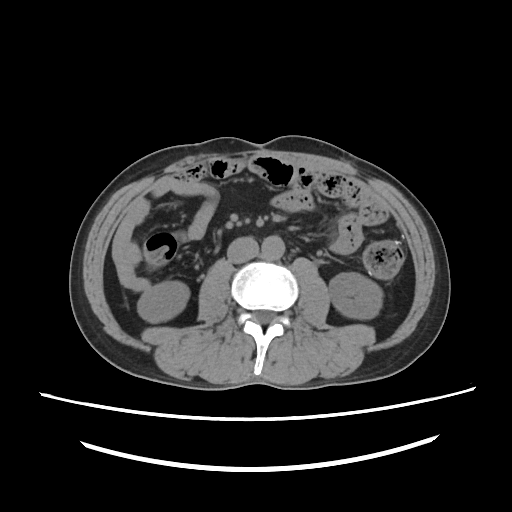
CT, abdomen/pelvis · axial view · 512x512 px · Aquilion ONE scanner · 15 organs annotated in this scan (that count is for the whole scan; organs this slice misses have no box)
Boxes: x1:y1:x2:y2 in pixels. Labeled organs on this slice: aorta at 261:235:284:260, inferior vena cava at 228:236:260:262, left kidney at 328:272:382:318, right kidney at 138:280:189:321.